Computed tomography, abdomen. axial view. W/L 400/40 HU. 57-year-old female patient
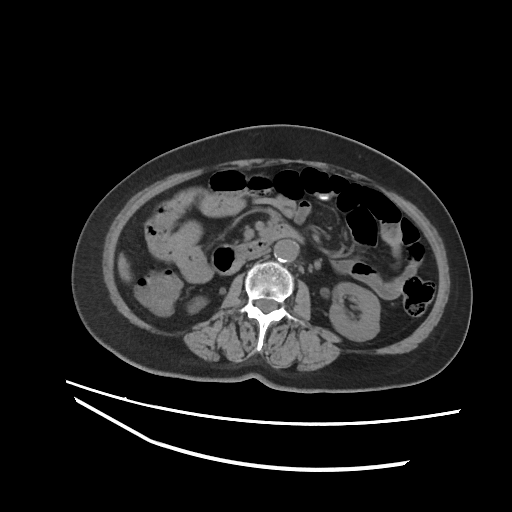
<organs><organ name="duodenum" x1="211" y1="225" x2="300" y2="274"/><organ name="aorta" x1="274" y1="240" x2="298" y2="262"/><organ name="liver" x1="117" y1="254" x2="130" y2="281"/><organ name="right kidney" x1="187" y1="296" x2="207" y2="313"/><organ name="left kidney" x1="329" y1="282" x2="380" y2="340"/><organ name="inferior vena cava" x1="246" y1="250" x2="267" y2="259"/></organs>